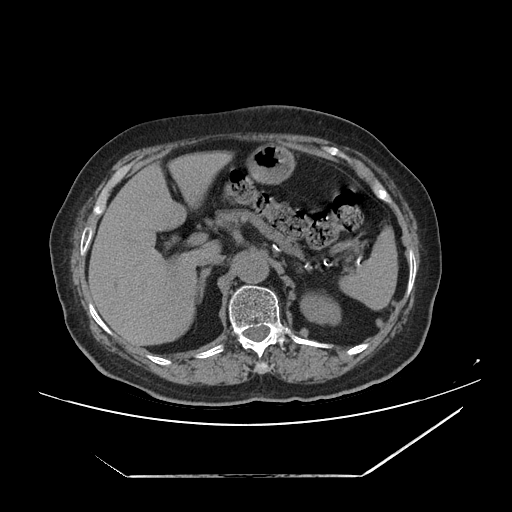
CT abdomen — axial view
Boxes: x1:y1:x2:y2 in pixels.
Organ bounding boxes:
- liver: 88:150:233:346
- inferior vena cava: 202:253:224:264
- spleen: 339:226:398:310
- left kidney: 300:292:340:324
- right adrenal gland: 197:267:211:302
- stomach: 246:144:295:184
- pancreas: 215:209:359:255
- aorta: 234:254:268:283